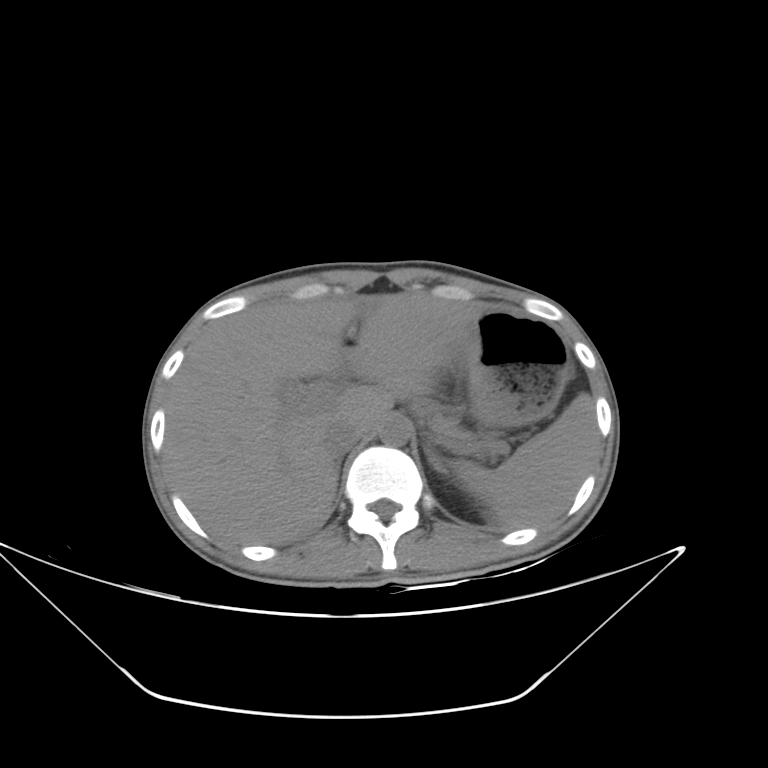

Computed tomography, abdomen. axial view
{"organs":{"spleen":[452,392,598,528],"liver":[164,292,477,544],"stomach":[438,308,568,425],"aorta":[379,417,410,446],"inferior vena cava":[323,420,362,456],"pancreas":[416,400,471,439],"left adrenal gland":[424,445,444,471]}}